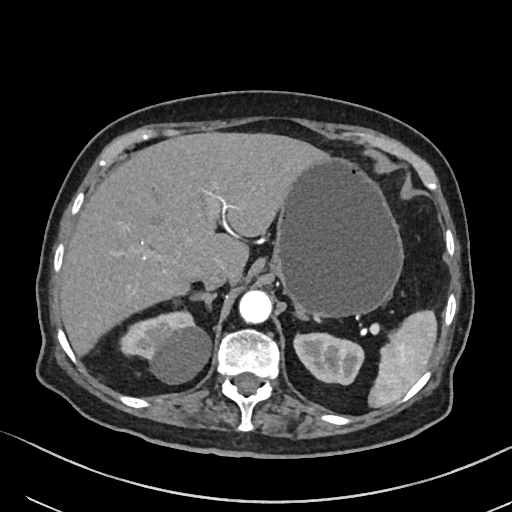 CT, abdomen/pelvis — axial plane, index 183 — acquired on SOMATOM Force — 15 organs annotated in this scan (a whole-scan count: organs this slice does not pass through have no box)
Bounding boxes as [x1, y1, x2, y2] in pixel coordinates.
right adrenal gland: [191, 292, 216, 310]
stomach: [271, 155, 403, 317]
left adrenal gland: [295, 309, 307, 319]
aorta: [239, 290, 271, 323]
left kidney: [293, 333, 364, 384]
inferior vena cava: [201, 267, 229, 290]
liver: [60, 132, 326, 355]
right kidney: [118, 310, 211, 383]
spleen: [368, 310, 436, 407]